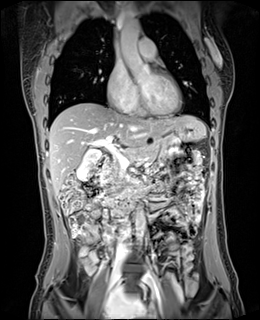 MRI, abdomen; coronal view; percentile-normalized; 260x320 px; Prisma scanner
Bounding boxes in pixels, one row per box: x1, y1 is the top-left corner and x2, y2 the bottom-right.
| organ | x1 | y1 | x2 | y2 |
|---|---|---|---|---|
| inferior vena cava | 118 | 220 | 130 | 239 |
| liver | 48 | 102 | 205 | 195 |
| pancreas | 101 | 142 | 159 | 184 |
| duodenum | 99 | 156 | 144 | 196 |
| aorta | 118 | 19 | 151 | 78 |
| aorta | 135 | 208 | 145 | 241 |
| gall bladder | 76 | 149 | 101 | 181 |
| stomach | 173 | 122 | 203 | 141 |